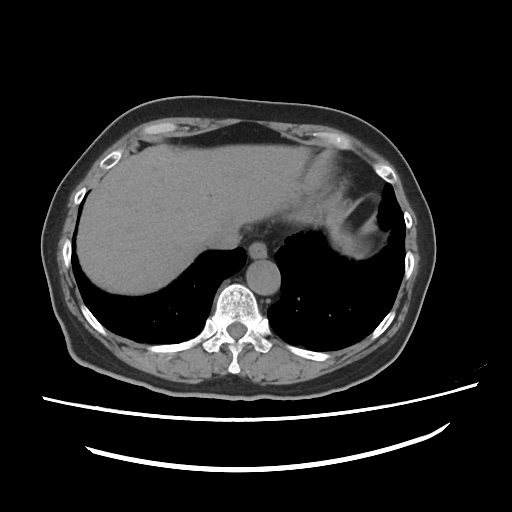
CT, abdomen/pelvis — axial view — W/L 400/40 HU — 61-year-old female patient
Boxes are (x1, y1, x2, y2) in pixels.
Organ bounding boxes:
- esophagus: (248, 242, 266, 258)
- liver: (76, 144, 343, 294)
- stomach: (333, 232, 363, 256)
- aorta: (246, 260, 280, 295)
- inferior vena cava: (204, 224, 240, 249)